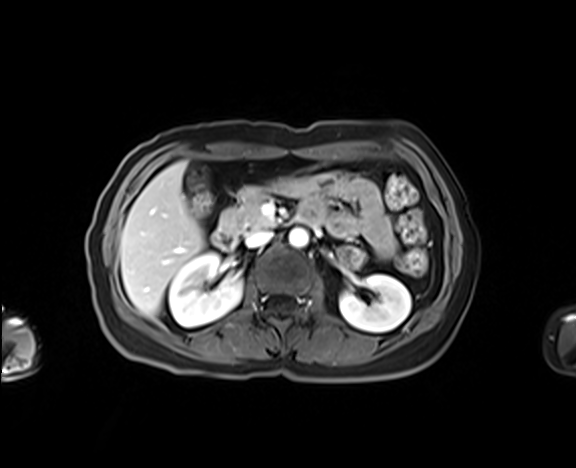 Abdominal MRI · axial plane, index 29 · 13 organs annotated in this scan (counted over the whole 3D scan, not this slice; an organ is boxed only where this slice passes through it)
Box edges are left/top/right/bottom in pixels.
aorta: left=289, top=228, right=308, bottom=248
left kidney: left=340, top=274, right=411, bottom=331
right kidney: left=168, top=253, right=242, bottom=326
liver: left=120, top=162, right=205, bottom=316
inferior vena cava: left=245, top=231, right=272, bottom=247
gall bladder: left=187, top=166, right=205, bottom=187
duodenum: left=212, top=229, right=236, bottom=248
pancreas: left=220, top=188, right=274, bottom=235